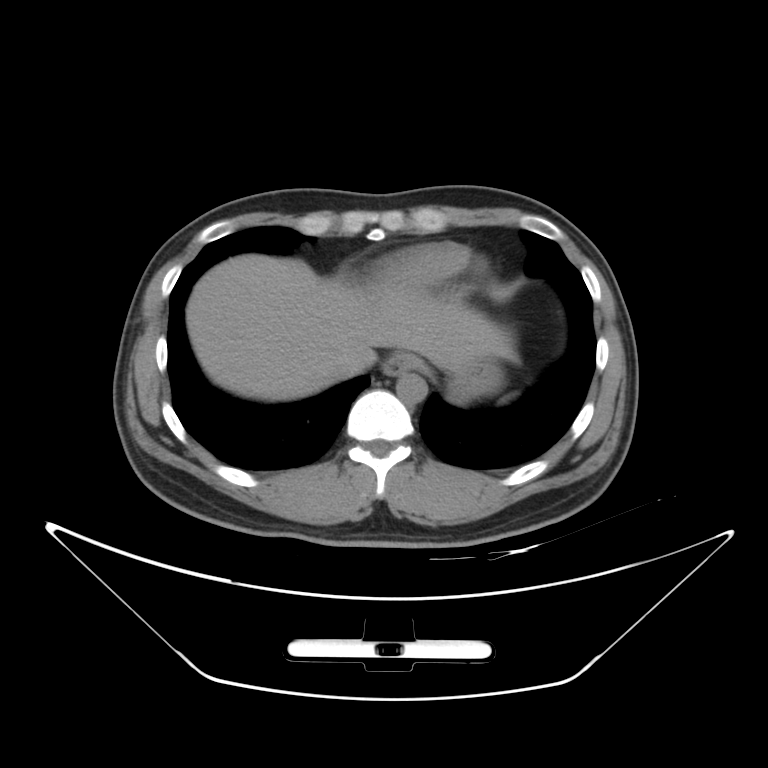 CT, abdomen/pelvis. Axial slice 92/97. soft-tissue window. 25-year-old male patient. 15 organs annotated in this scan (counted over the whole 3D scan, not this slice; an organ is boxed only where this slice passes through it)
{"organs":{"esophagus":[382,352,421,376],"stomach":[447,355,504,403],"inferior vena cava":[323,350,364,381],"liver":[186,254,511,400],"aorta":[396,372,426,403]}}